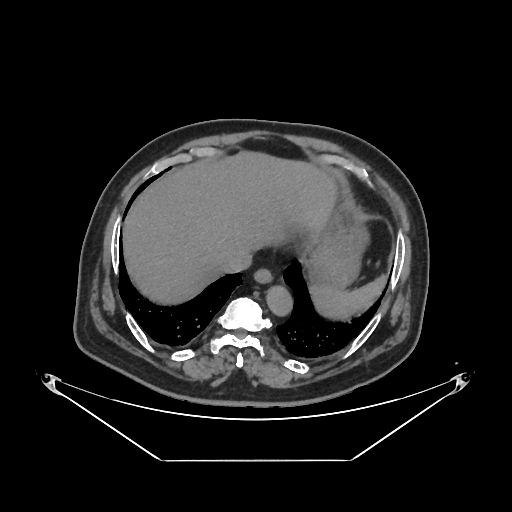 CT abdomen — axial view — W/L 400/40 HU — 512x512 px
<organs><organ name="spleen" x1="308" y1="274" x2="388" y2="320"/><organ name="esophagus" x1="254" y1="267" x2="273" y2="283"/><organ name="liver" x1="122" y1="150" x2="335" y2="305"/><organ name="stomach" x1="307" y1="216" x2="370" y2="289"/><organ name="aorta" x1="266" y1="285" x2="292" y2="315"/><organ name="inferior vena cava" x1="221" y1="252" x2="251" y2="272"/></organs>